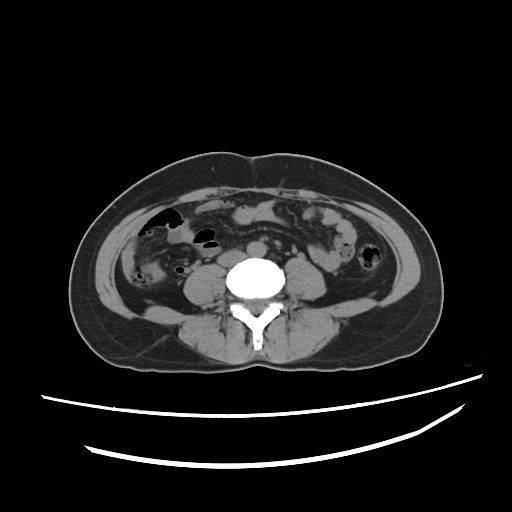

Computed tomography, abdomen · Axial slice 46/93 · 43-year-old female patient · acquired on Aquilion ONE
Organ boxes in pixel coordinates; each row gives the top-left (x1, y1) and bottom-right (x2, y2) corners.
| organ | x1 | y1 | x2 | y2 |
|---|---|---|---|---|
| inferior vena cava | 217 | 250 | 245 | 266 |
| aorta | 247 | 241 | 264 | 258 |